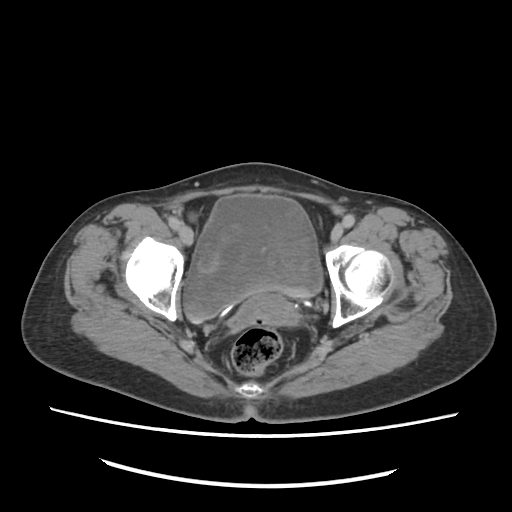 CT abdomen · Axial slice 21/89 · soft-tissue window (W 400 / L 40)
Bounding boxes as [x1, y1, x2, y2] in pixel coordinates.
bladder: [183, 195, 323, 321]